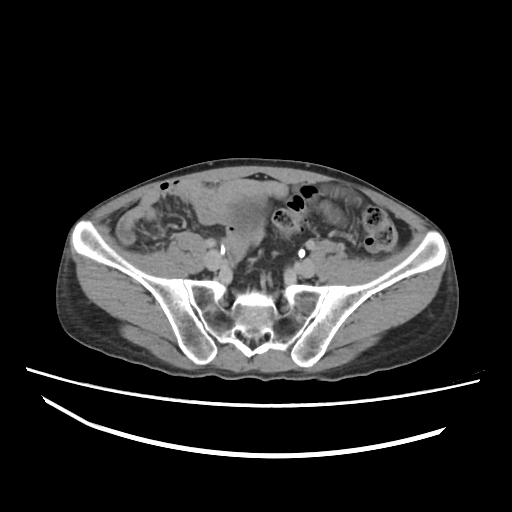
CT abdomen; axial plane, index 39
<organs><organ name="bladder" x1="226" y1="191" x2="268" y2="233"/></organs>